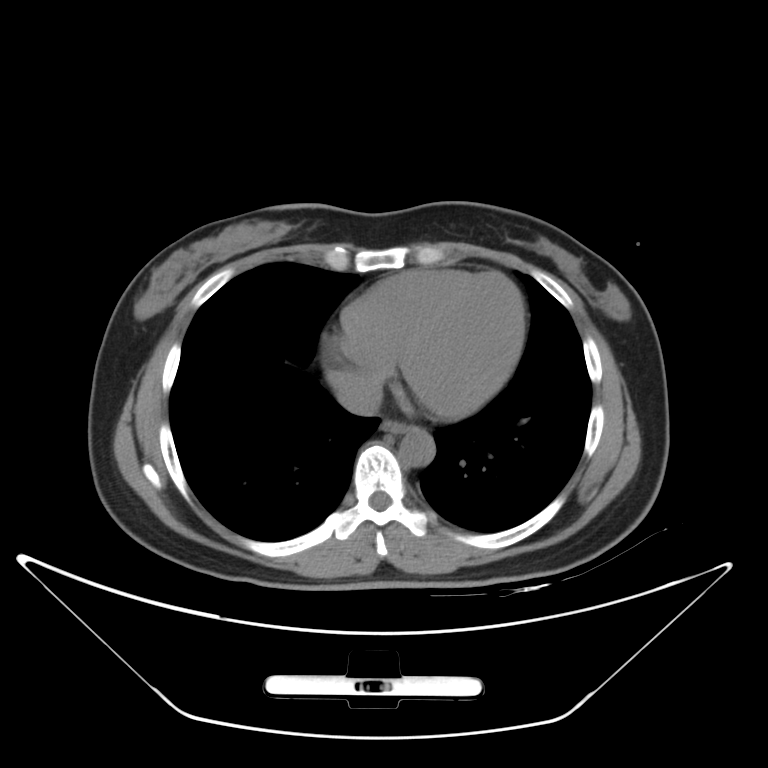

Abdominal CT; this slice is in the lower chest, just above the liver — axial view
The heart and lungs are never labeled in this dataset, so they have no box on this slice.
<organs><organ name="esophagus" x1="381" y1="420" x2="411" y2="433"/><organ name="aorta" x1="399" y1="428" x2="434" y2="466"/><organ name="inferior vena cava" x1="337" y1="376" x2="382" y2="415"/></organs>